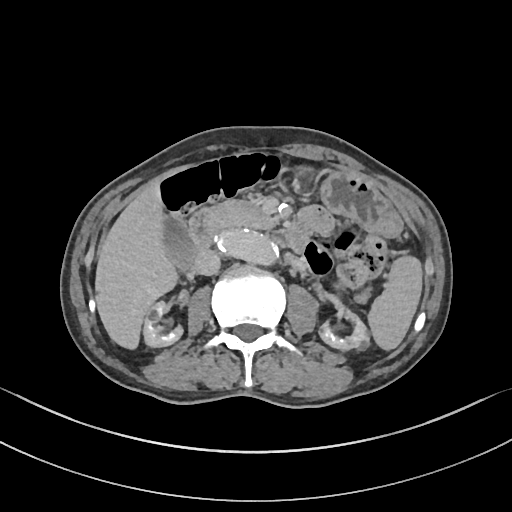 CT, abdomen/pelvis — axial view — W/L 400/40 HU
<organs><organ name="spleen" x1="367" y1="257" x2="423" y2="351"/><organ name="right kidney" x1="143" y1="301" x2="182" y2="348"/><organ name="left kidney" x1="319" y1="317" x2="369" y2="351"/><organ name="gall bladder" x1="162" y1="214" x2="195" y2="269"/><organ name="liver" x1="94" y1="182" x2="179" y2="349"/><organ name="stomach" x1="297" y1="166" x2="403" y2="237"/><organ name="aorta" x1="215" y1="230" x2="280" y2="266"/><organ name="inferior vena cava" x1="195" y1="249" x2="221" y2="275"/><organ name="pancreas" x1="208" y1="191" x2="278" y2="235"/><organ name="duodenum" x1="188" y1="212" x2="307" y2="254"/></organs>